CT, abdomen/pelvis — Axial slice 163/333 — W/L 400/40 HU — 512x512 px
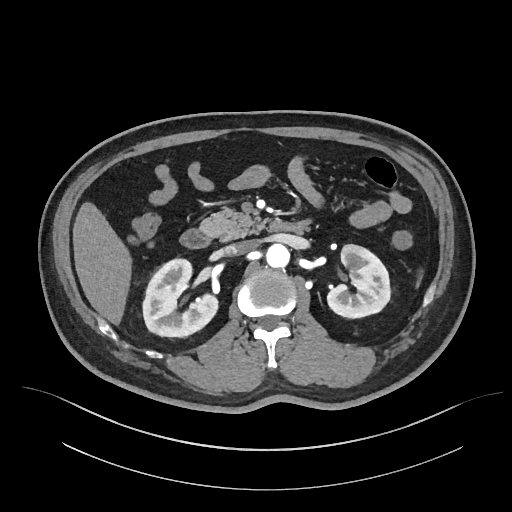

Boxes are (x1, y1, x2, y2) in pixels.
Organ bounding boxes:
- pancreas: (201, 209, 264, 241)
- duodenum: (181, 220, 306, 248)
- left kidney: (327, 244, 389, 317)
- right kidney: (142, 258, 216, 336)
- inferior vena cava: (226, 240, 257, 254)
- liver: (72, 203, 129, 323)
- aorta: (266, 243, 289, 267)